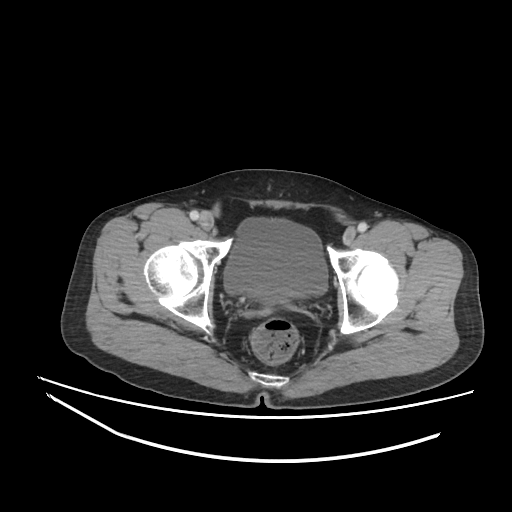
Computed tomography, abdomen · axial view · W/L 400/40 HU · 512x512 px · acquired on Aquilion ONE
Box edges are left/top/right/bottom in pixels.
Organ bounding boxes:
- bladder: left=224, top=218, right=327, bottom=300